Computed tomography, abdomen · axial view · 768x768 px
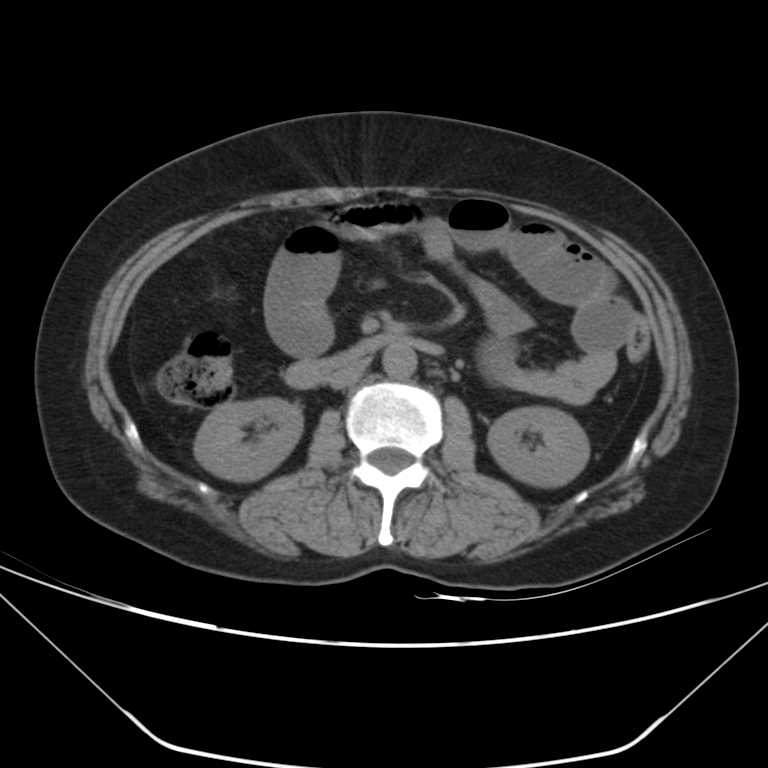 <organs><organ name="right kidney" x1="194" y1="398" x2="302" y2="481"/><organ name="left kidney" x1="487" y1="406" x2="589" y2="486"/><organ name="aorta" x1="383" y1="345" x2="417" y2="377"/><organ name="inferior vena cava" x1="327" y1="359" x2="369" y2="389"/><organ name="duodenum" x1="285" y1="329" x2="445" y2="389"/></organs>